Chest-level slice from an abdominal CT that extends up into the chest; Axial slice 228/302; W/L 400/40 HU; 512x512 px
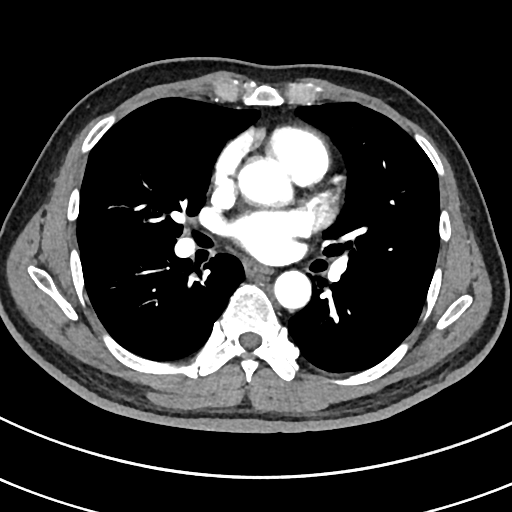
At this level of the chest no structure but the esophagus and the aorta has a label in this dataset, and those two are boxed only where they are labeled.
<organs><organ name="esophagus" x1="247" y1="264" x2="270" y2="273"/><organ name="aorta" x1="237" y1="157" x2="287" y2="205"/><organ name="aorta" x1="274" y1="270" x2="311" y2="309"/></organs>